CT abdomen; Axial slice 134/222; W/L 400/40 HU; 512x512 px
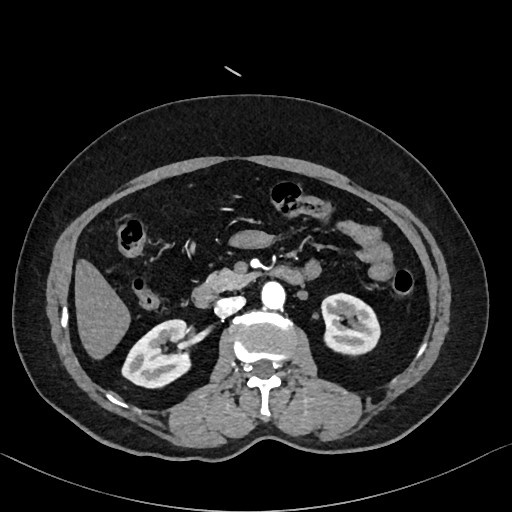 One row per box, in pixels: columns x1 and y1 give the top-left corner, x2 and y2 the bottom-right.
| organ | x1 | y1 | x2 | y2 |
|---|---|---|---|---|
| right kidney | 122 | 319 | 190 | 388 |
| left kidney | 322 | 293 | 380 | 354 |
| liver | 75 | 259 | 130 | 359 |
| aorta | 261 | 281 | 285 | 309 |
| inferior vena cava | 215 | 296 | 244 | 316 |
| pancreas | 205 | 269 | 255 | 291 |
| duodenum | 192 | 266 | 303 | 307 |